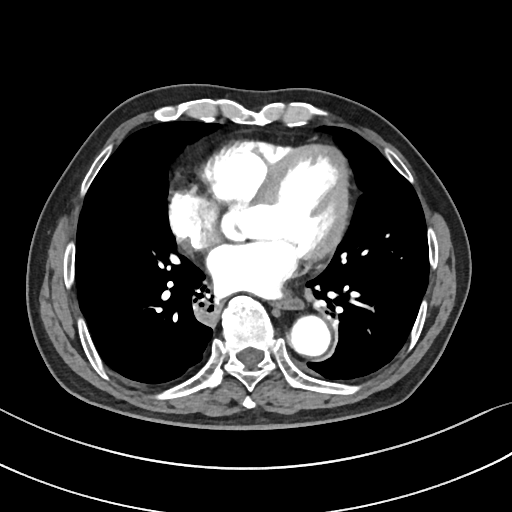

CT of the abdomen reaching into the lower chest, slice just above the liver and spleen; Axial slice 218/306; W/L 400/40 HU; 512x512 px; SOMATOM Force scanner
Of the structures in the chest, this dataset labels only the esophagus, the aorta and the inferior vena cava; the heart and lungs have no label.
<organs><organ name="esophagus" x1="275" y1="296" x2="303" y2="308"/><organ name="aorta" x1="290" y1="314" x2="330" y2="355"/></organs>